CT abdomen — axial view — W/L 400/40 HU — acquired on Brilliance16
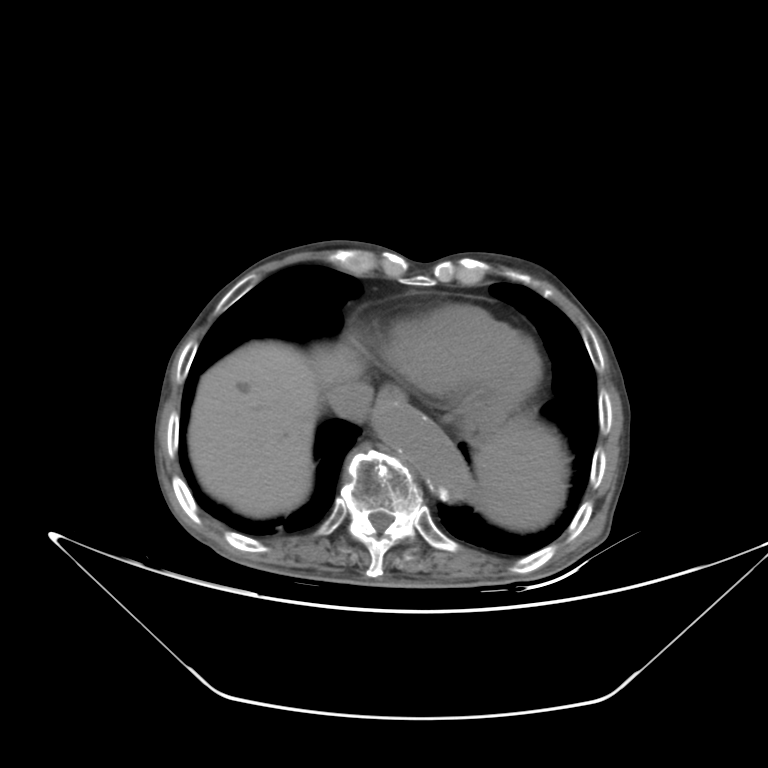
Boxes: x1 y1 x2 y2 (pixel coords, space-separated).
Organ bounding boxes:
- liver: 189 345 363 517
- stomach: 462 407 505 447
- spleen: 474 417 567 531
- aorta: 376 405 475 503
- esophagus: 376 386 406 406
- inferior vena cava: 329 381 372 420